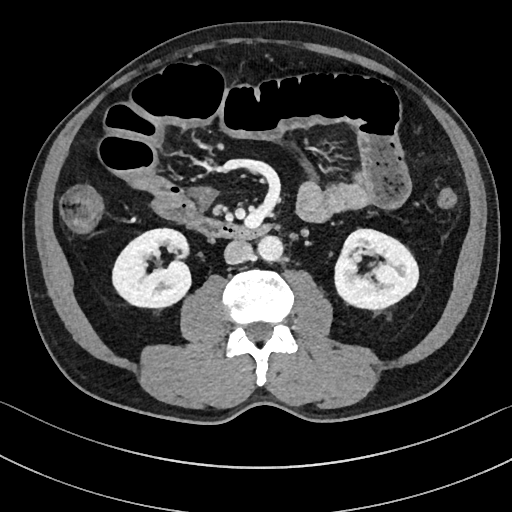

Computed tomography, abdomen; Axial slice 128/232; scan has 15 labeled organs (counted over the whole 3D scan, not this slice; an organ is boxed only where this slice passes through it)
Boxes: x1 y1 x2 y2 (pixel coords, space-separated). Labeled organs on this slice: right kidney at 112 229 191 308, left kidney at 334 229 418 310, aorta at 258 236 283 262, inferior vena cava at 223 241 253 264, duodenum at 187 218 273 240.